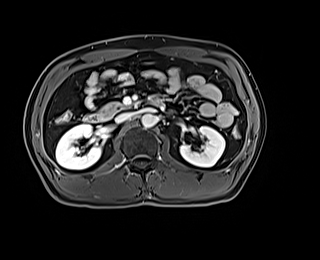 MRI, abdomen; axial view; 1st–99th percentile window
<organs><organ name="right kidney" x1="55" y1="124" x2="101" y2="169"/><organ name="pancreas" x1="99" y1="102" x2="127" y2="114"/><organ name="duodenum" x1="84" y1="99" x2="161" y2="122"/><organ name="inferior vena cava" x1="115" y1="112" x2="133" y2="123"/><organ name="left kidney" x1="180" y1="126" x2="225" y2="167"/><organ name="aorta" x1="141" y1="114" x2="157" y2="128"/></organs>